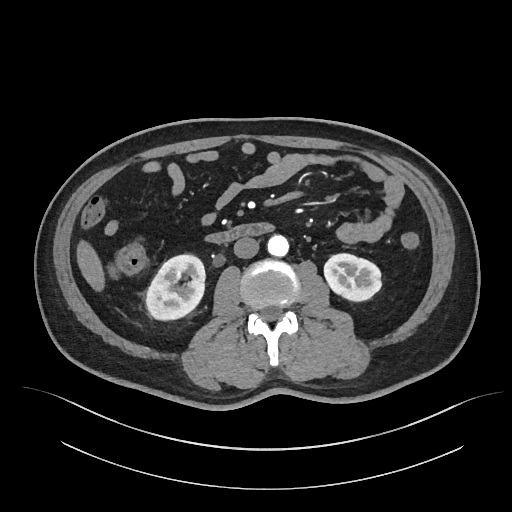 CT abdomen · Axial slice 142/333 · abdomen soft-tissue window · SOMATOM Force scanner
Boxes are (x1, y1, x2, y2) in pixels. The annotated organs in this slice are: right kidney at (146, 254, 205, 320), left kidney at (324, 253, 380, 301), liver at (77, 240, 104, 291), aorta at (267, 235, 288, 256), inferior vena cava at (233, 237, 259, 258), duodenum at (206, 223, 273, 243).